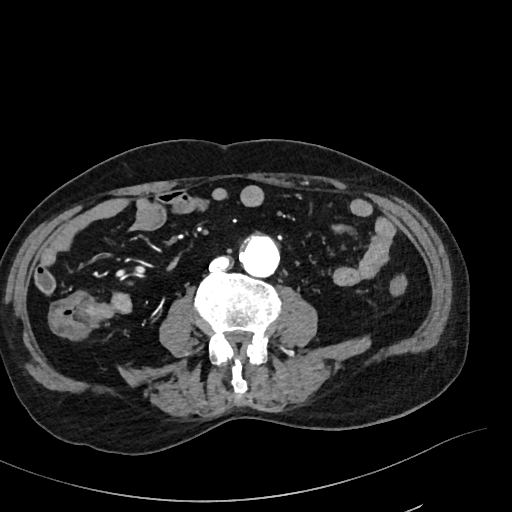

CT, abdomen/pelvis · axial plane, index 112 · abdomen soft-tissue window · 512x512 px
Boxes: x1 y1 x2 y2 (pixel coords, space-separated).
Organ bounding boxes:
- aorta: 239 235 280 278
- inferior vena cava: 209 257 230 272